CT abdomen — Axial slice 57/83 — W/L 400/40 HU
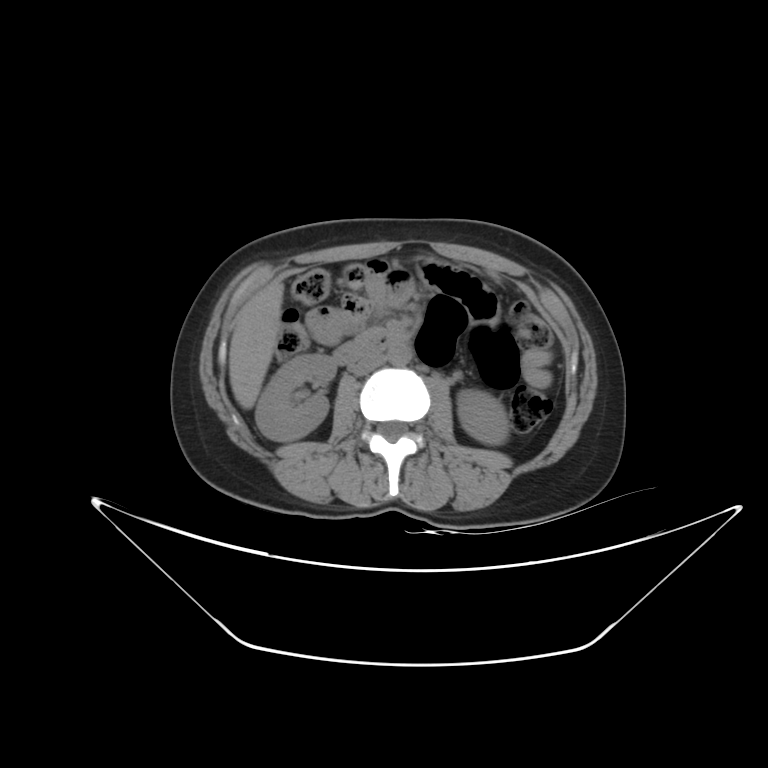
{"organs":{"duodenum":[333,330,406,364],"left kidney":[457,389,509,445],"right kidney":[255,354,336,441],"inferior vena cava":[349,353,385,375],"liver":[228,281,283,408],"aorta":[387,343,410,365]}}